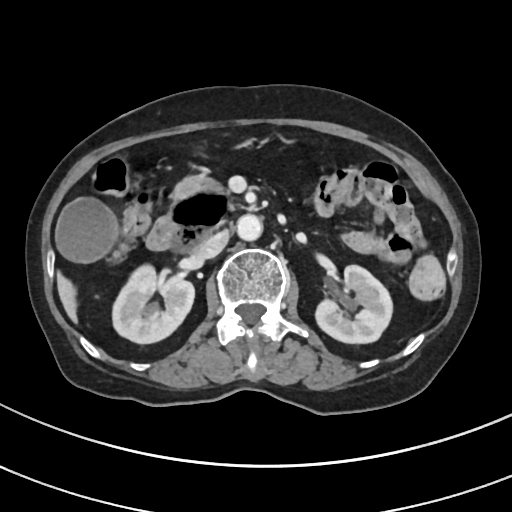
Abdominal CT; axial view; W/L 400/40 HU; 15 organs annotated in this scan (counted over the whole 3D scan, not this slice; an organ is boxed only where this slice passes through it)
Each box given as x1,y1,x2,y2.
pancreas: x1=174, y1=176, x2=220, y2=199
gall bladder: x1=56, y1=198, x2=116, y2=261
left kidney: x1=315, y1=265, x2=392, y2=343
aorta: x1=237, y1=214, x2=262, y2=240
right kidney: x1=112, y1=264, x2=194, y2=343
inferior vena cava: x1=194, y1=230, x2=229, y2=260
liver: x1=56, y1=272, x2=76, y2=321
duodenum: x1=145, y1=192, x2=234, y2=251